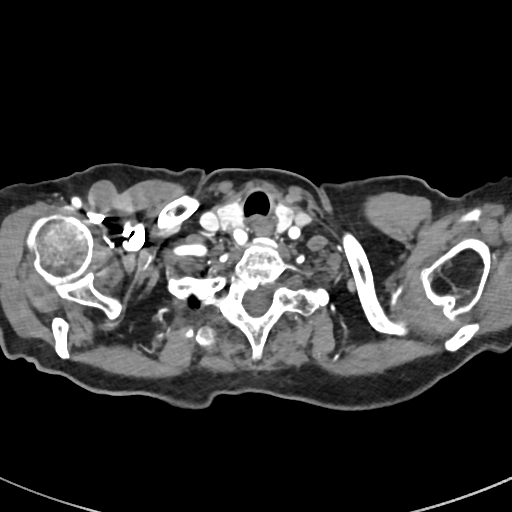

Abdominal CT reaching into the chest; this slice is in the chest. axial view. 512x512 px. scan has 15 labeled organs (a whole-scan count: organs this slice does not pass through have no box)
On a slice this high in the chest, this dataset labels only the esophagus and the aorta, and each is boxed only where it is labeled; the heart, lungs and other chest structures are not labeled. Bounding boxes as [x1, y1, x2, y2] in pixel coordinates. 1 labeled organ on this slice — esophagus at [253, 221, 270, 235].